Chest-level slice from an abdominal CT that extends up into the chest. axial view. W/L 400/40 HU. 768x768 px. scan has 13 labeled organs (counted over the whole 3D scan, not this slice; an organ is boxed only where this slice passes through it)
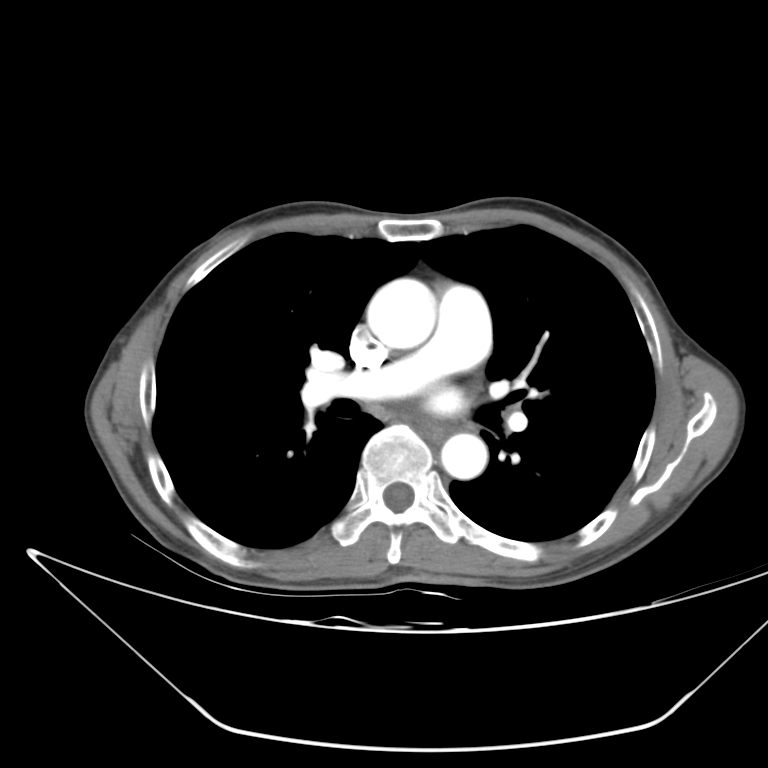
On a slice this high in the chest, this dataset labels only the esophagus and the aorta, and each is boxed only where it is labeled; the heart, lungs and other chest structures are not labeled.
{"organs":{"esophagus":[418,420,449,438],"aorta":[[367,280,435,349],[441,433,487,479]]}}